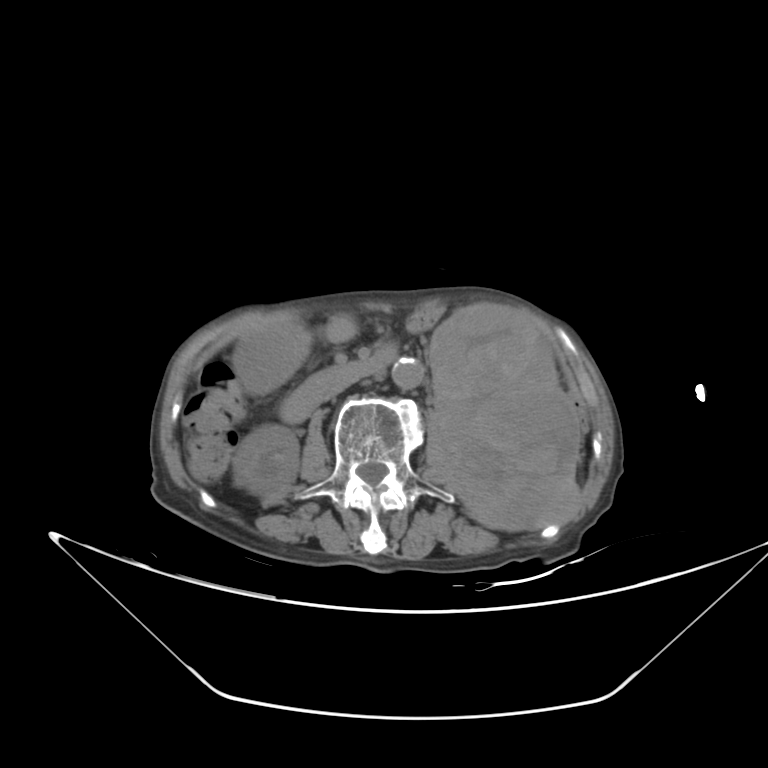

CT abdomen — axial view — soft-tissue window — 768x768 px
Boxes: x1:y1:x2:y2 in pixels.
Organ bounding boxes:
- right kidney: 233:427:299:495
- duodenum: 280:339:399:425
- inferior vena cava: 325:378:356:399
- aorta: 392:358:424:393
- stomach: 234:314:312:388
- left kidney: 426:302:583:529